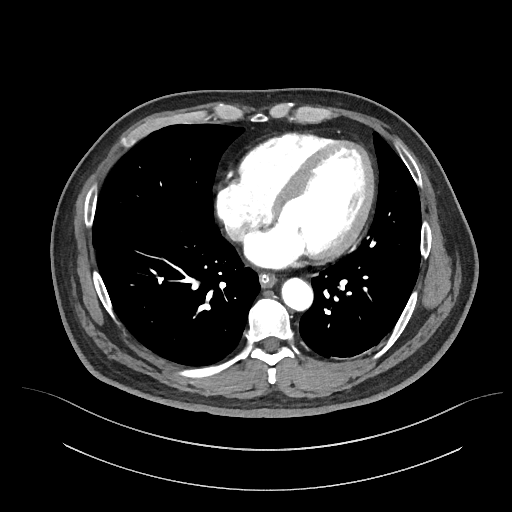 CT of the abdomen reaching into the lower chest, slice just above the liver and spleen · axial view · soft-tissue window (W 400 / L 40) · acquired on SOMATOM Force · scan has 15 labeled organs (that count is for the whole scan; organs this slice misses have no box)
The heart and lungs are never labeled in this dataset, so they have no box on this slice. Coordinates as <box>x1,y1,x2,y2</box> in pixels. The annotated organs in this slice are: aorta at <box>282,278,313,310</box>, esophagus at <box>259,274,276,287</box>, inferior vena cava at <box>226,224,248,241</box>.